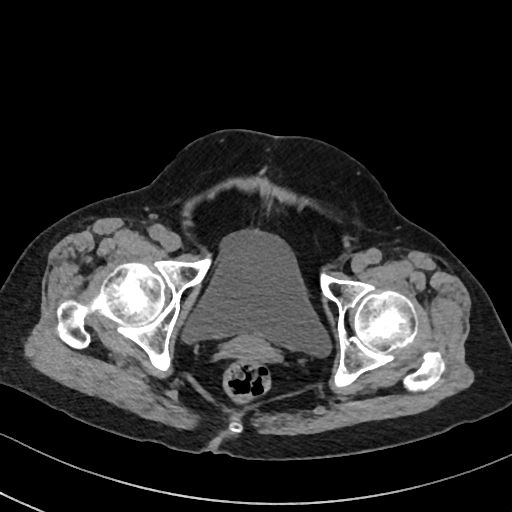

Computed tomography, abdomen; Axial slice 38/202; 512x512 px; 15 organs annotated in this scan (that count is for the whole scan; organs this slice misses have no box)
{"organs":{"bladder":[180,232,331,355],"prostate/uterus":[222,334,274,362]}}